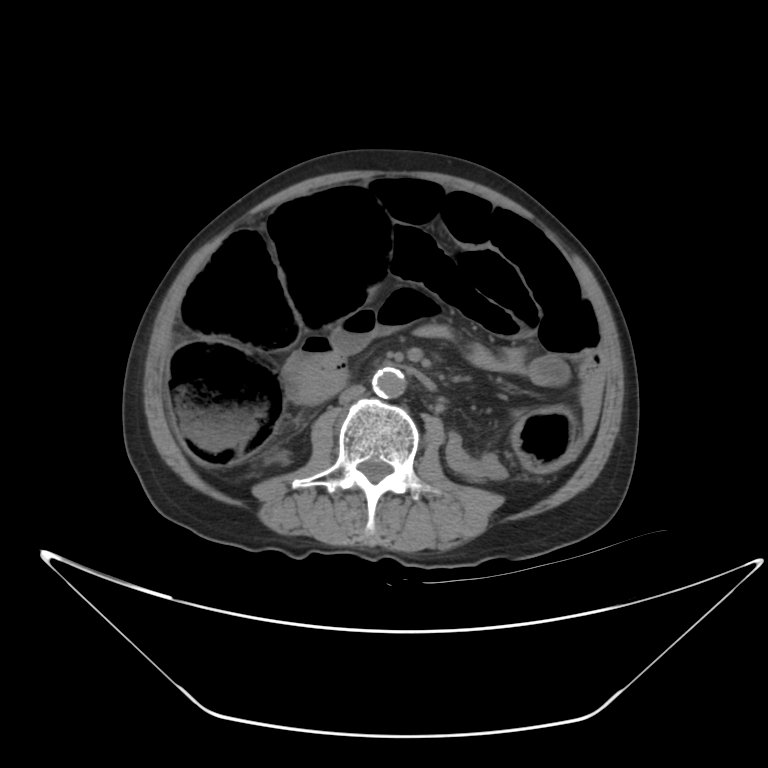 CT, abdomen/pelvis — Axial slice 47/95
Coordinates as <box>x1,y1,x2,y2</box> in pixels.
Organ bounding boxes:
- right kidney: <box>272,453,286,461</box>
- aorta: <box>372,368,405,398</box>
- inferior vena cava: <box>339,385,365,404</box>